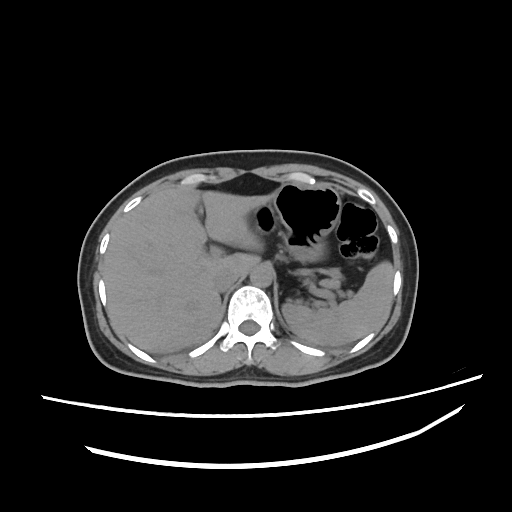 CT, abdomen/pelvis; axial plane, index 79; soft-tissue window (W 400 / L 40)
Boxes are (x1, y1, x2, y2) in pixels.
Organ bounding boxes:
- spleen: (281, 261, 394, 346)
- liver: (103, 184, 271, 354)
- stomach: (270, 183, 341, 262)
- aorta: (249, 265, 273, 285)
- inferior vena cava: (214, 269, 240, 289)